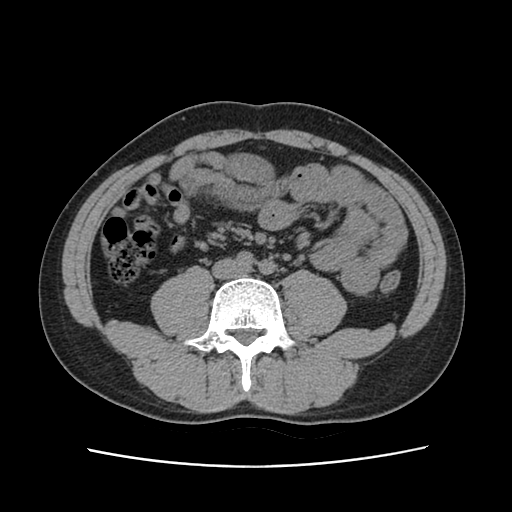

Abdominal CT · axial view · 512x512 px · scan has 15 labeled organs (that count is for the whole scan; organs this slice misses have no box)
<organs><organ name="inferior vena cava" x1="212" y1="258" x2="248" y2="279"/></organs>